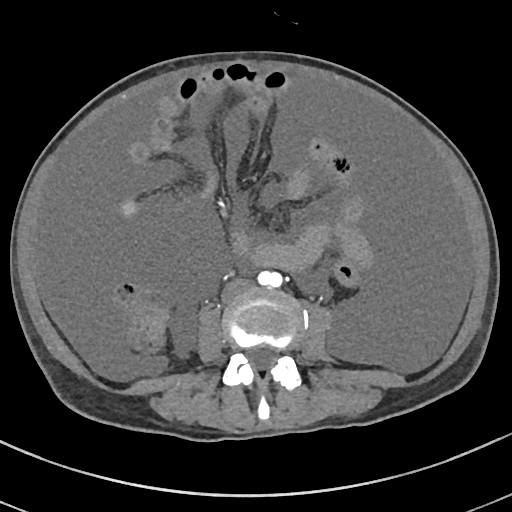 CT, abdomen/pelvis · axial view · soft-tissue window (W 400 / L 40)
Each box given as x1,y1,x2,y2. The annotated organs in this slice are: aorta at x1=258, y1=270, x2=281, y2=287, inferior vena cava at x1=221, y1=278, x2=254, y2=302.